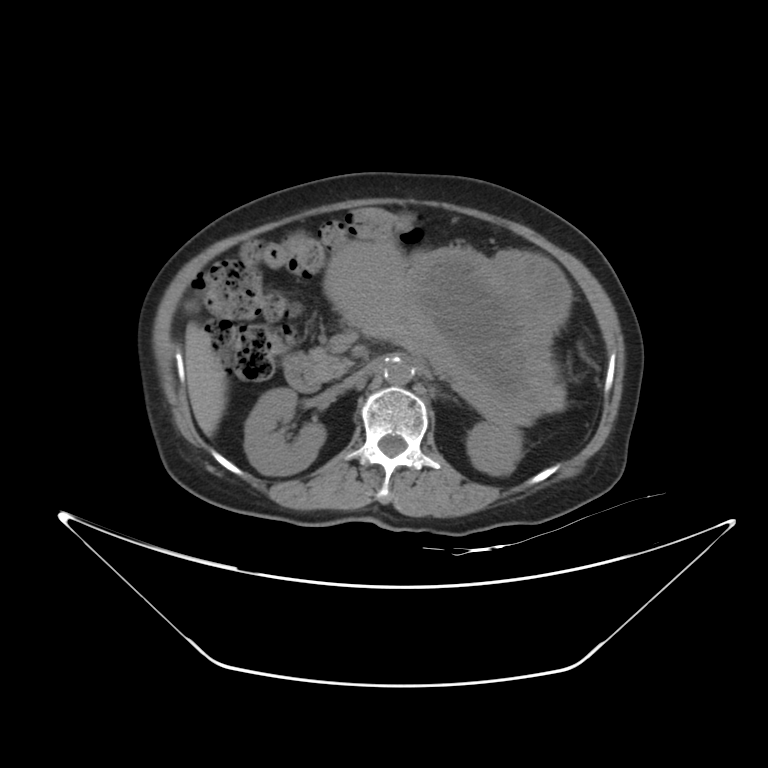
Computed tomography, abdomen · axial view · 66-year-old female patient · 15 organs annotated in this scan (a whole-scan count: organs this slice does not pass through have no box)
<organs><organ name="right kidney" x1="244" y1="387" x2="325" y2="475"/><organ name="left kidney" x1="466" y1="420" x2="522" y2="475"/><organ name="liver" x1="185" y1="324" x2="226" y2="436"/><organ name="stomach" x1="326" y1="244" x2="569" y2="410"/><organ name="aorta" x1="382" y1="357" x2="414" y2="385"/><organ name="inferior vena cava" x1="343" y1="366" x2="370" y2="387"/><organ name="pancreas" x1="311" y1="348" x2="562" y2="423"/><organ name="duodenum" x1="283" y1="353" x2="333" y2="393"/></organs>